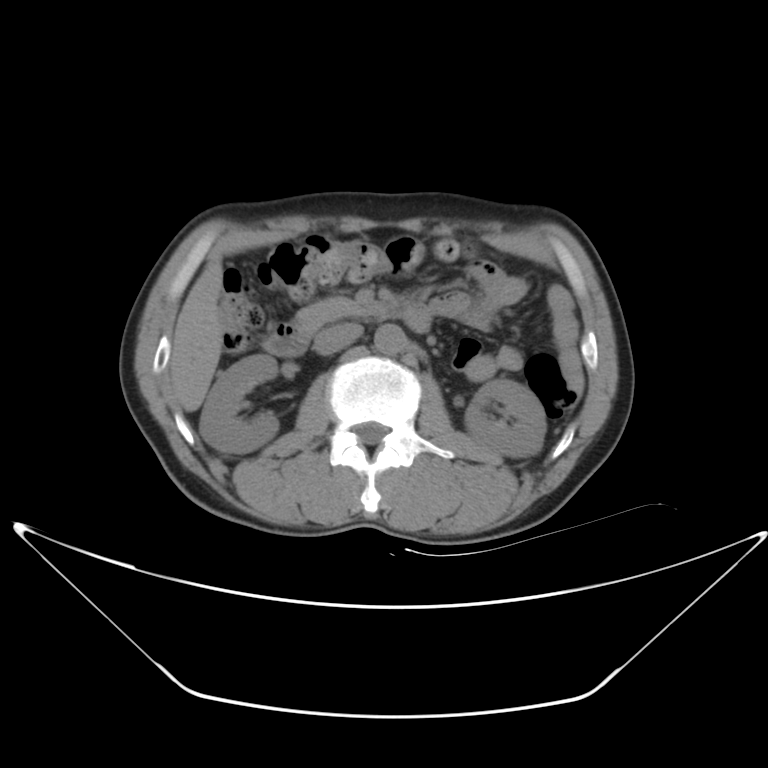
CT, abdomen/pelvis; axial view; 768x768 px; Brilliance16 scanner; scan has 15 labeled organs (counted over the whole 3D scan, not this slice; an organ is boxed only where this slice passes through it)
Boxes: x1:y1:x2:y2 in pixels. 7 labeled organs on this slice — right kidney at 201:354:279:451; left kidney at 467:379:546:458; liver at 169:263:223:410; aorta at 372:323:406:353; inferior vena cava at 314:322:363:354; pancreas at 296:297:381:334; duodenum at 264:303:431:354.